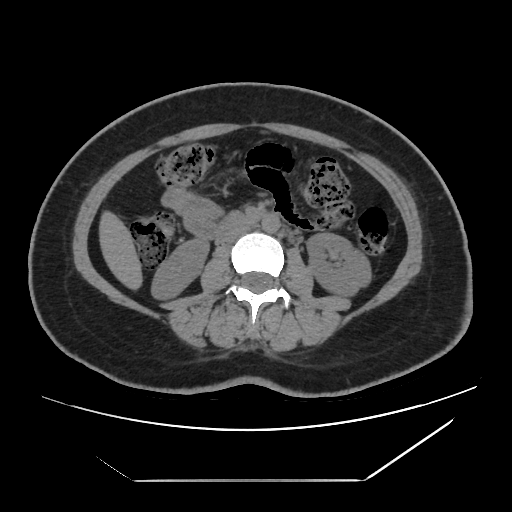 Computed tomography, abdomen. axial view. soft-tissue window (W 400 / L 40). 15 organs annotated in this scan (a whole-scan count: organs this slice does not pass through have no box)
{"organs":{"right kidney":[151,238,209,300],"left kidney":[307,232,371,296],"liver":[99,209,143,290],"aorta":[261,214,280,233],"inferior vena cava":[220,225,250,245],"duodenum":[213,212,267,239]}}